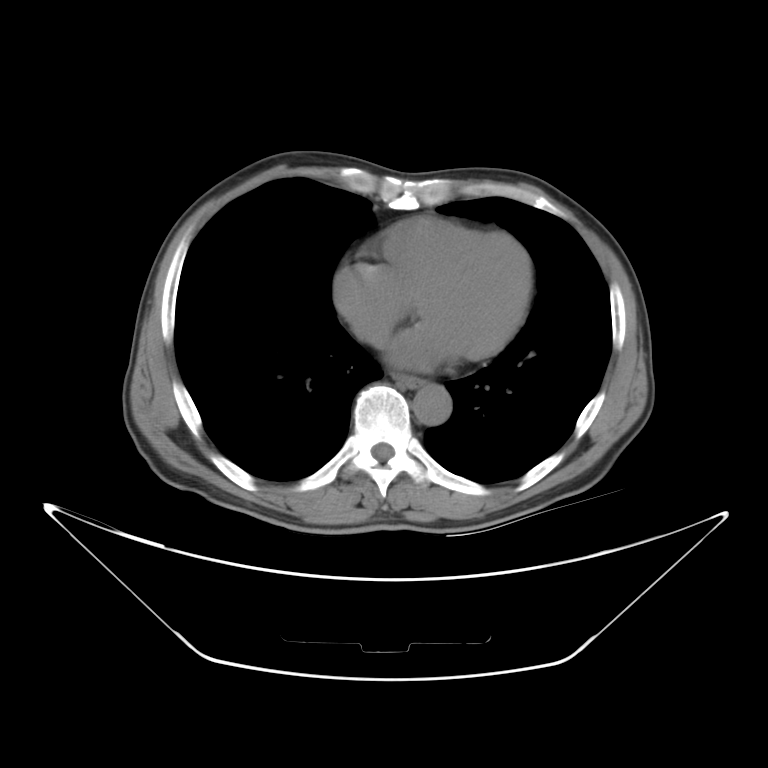 Lower-chest slice from an abdominal CT, just above the liver and spleen — axial plane, index 85 — soft-tissue window (W 400 / L 40) — scan has 15 labeled organs (that count is for the whole scan; organs this slice misses have no box)
Of the structures in the chest, this dataset labels only the esophagus, the aorta and the inferior vena cava; the heart and lungs have no label.
<organs><organ name="esophagus" x1="396" y1="374" x2="424" y2="388"/><organ name="aorta" x1="412" y1="386" x2="450" y2="425"/><organ name="inferior vena cava" x1="351" y1="320" x2="385" y2="347"/></organs>